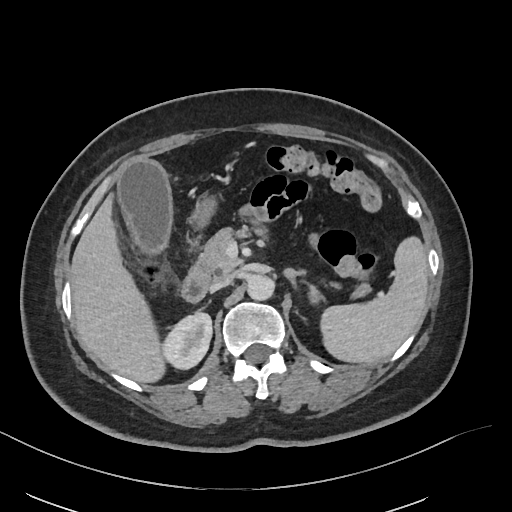

CT, abdomen/pelvis; Axial slice 170/244
{"organs":{"spleen":[321,238,429,364],"right kidney":[162,314,212,369],"left kidney":[309,288,320,305],"gall bladder":[117,161,172,257],"liver":[69,191,164,383],"stomach":[147,161,215,228],"aorta":[248,275,274,301],"inferior vena cava":[212,275,233,289],"pancreas":[197,224,371,298],"left adrenal gland":[284,267,306,289],"duodenum":[182,265,210,301]}}